Computed tomography, abdomen; axial view; 15 organs annotated in this scan (a whole-scan count: organs this slice does not pass through have no box)
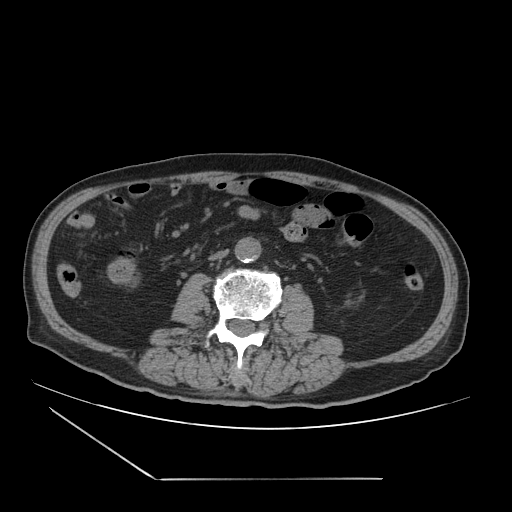

Organ boxes in pixel coordinates; each row gives the top-left (x1, y1) and bottom-right (x2, y2) corners.
| organ | x1 | y1 | x2 | y2 |
|---|---|---|---|---|
| aorta | 234 | 237 | 261 | 262 |
| inferior vena cava | 209 | 249 | 228 | 260 |